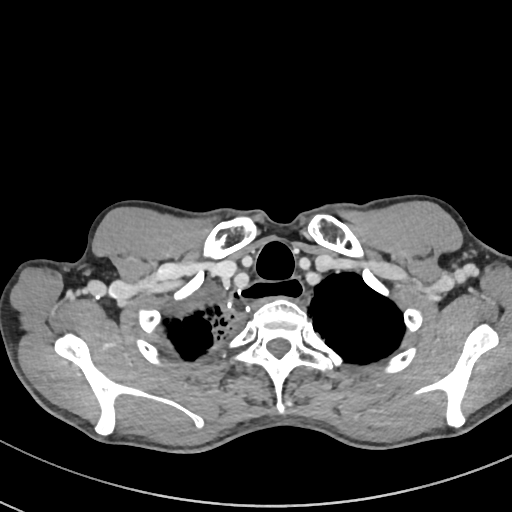

Chest-level CT slice, above the liver and spleen · axial view
On a slice this high in the chest, this dataset labels only the esophagus and the aorta, and each is boxed only where it is labeled; the heart, lungs and other chest structures are not labeled.
Coordinates as <box>x1,y1,x2,y2</box> in pixels.
Organ bounding boxes:
- esophagus: <box>228,278,304,315</box>